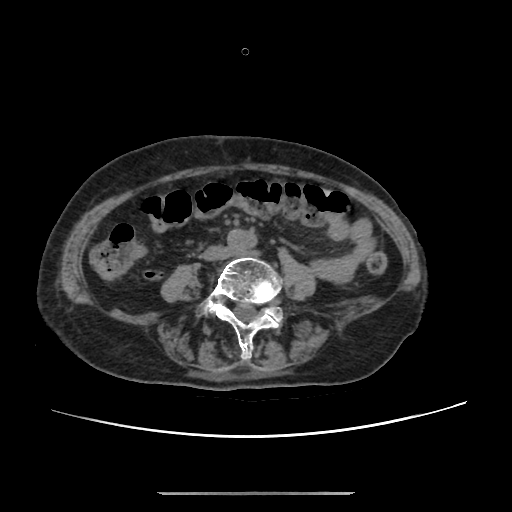
Computed tomography, abdomen — axial plane, index 168 — soft-tissue window
Bounding boxes in pixels, one row per box: x1, y1 is the top-left corner and x2, y2 the bottom-right.
| organ | x1 | y1 | x2 | y2 |
|---|---|---|---|---|
| aorta | 226 | 228 | 254 | 251 |
| inferior vena cava | 202 | 245 | 228 | 260 |